CT, abdomen/pelvis; axial view; W/L 400/40 HU; 42-year-old male patient
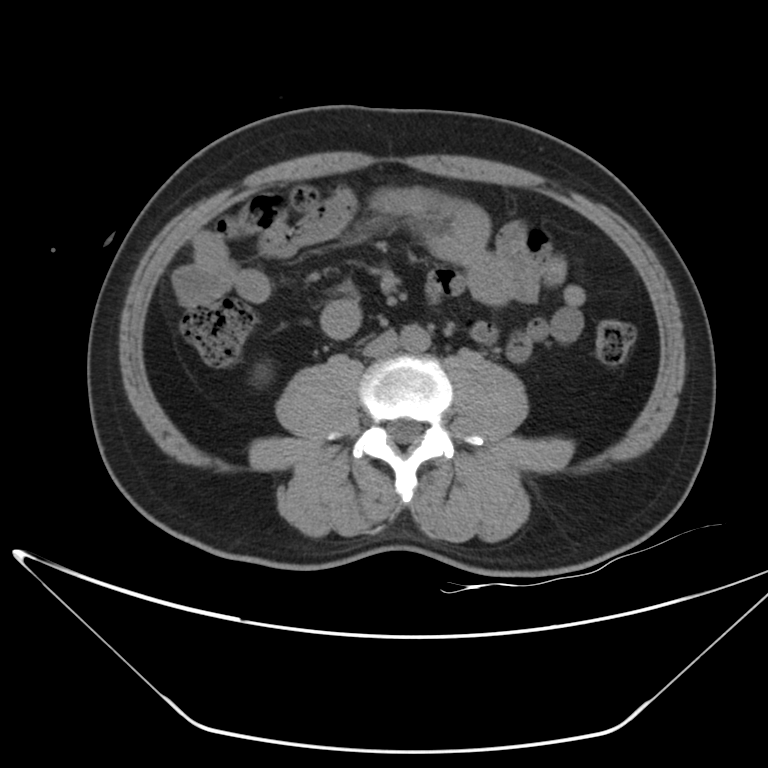

Coordinates as <box>x1,y1,x2,y2</box> in pixels.
right kidney: <box>252,363,272,384</box>
aorta: <box>400,325,430,352</box>
inferior vena cava: <box>363,329,399,356</box>